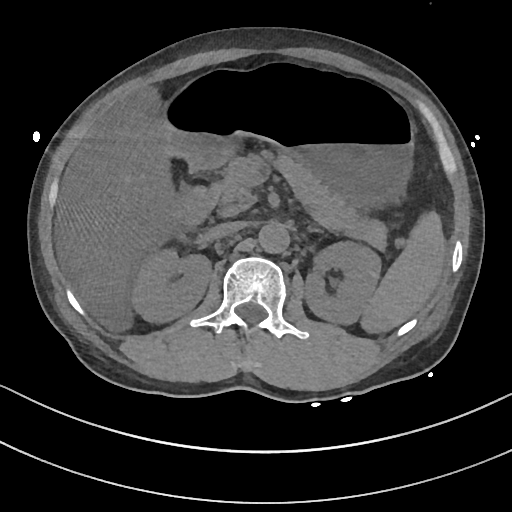
Abdominal CT; Axial slice 167/252; abdomen soft-tissue window; 512x512 px; SOMATOM Force scanner
Boxes are (x1, y1, x2, y2) in pixels. The annotated organs in this slice are: spleen at (362, 211, 445, 332), right kidney at (132, 249, 210, 322), left kidney at (306, 240, 381, 324), liver at (57, 87, 173, 317), stomach at (159, 73, 413, 201), aorta at (258, 221, 289, 253), inferior vena cava at (207, 221, 246, 238), pancreas at (209, 155, 384, 248), duodenum at (173, 185, 215, 229).